Abdominal CT; axial view; 512x512 px; scan has 15 labeled organs (counted over the whole 3D scan, not this slice; an organ is boxed only where this slice passes through it)
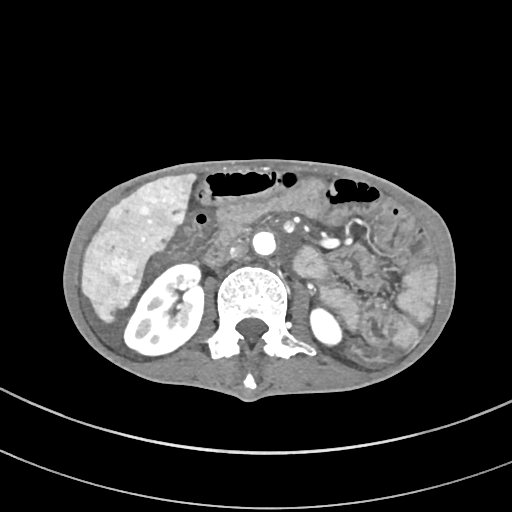

One row per box, in pixels: columns x1 and y1 give the top-left corner, x2 and y2 the bottom-right.
| organ | x1 | y1 | x2 | y2 |
|---|---|---|---|---|
| left kidney | 309 | 306 | 343 | 347 |
| liver | 80 | 175 | 196 | 323 |
| inferior vena cava | 229 | 242 | 247 | 258 |
| aorta | 251 | 231 | 277 | 256 |
| right kidney | 125 | 264 | 204 | 356 |